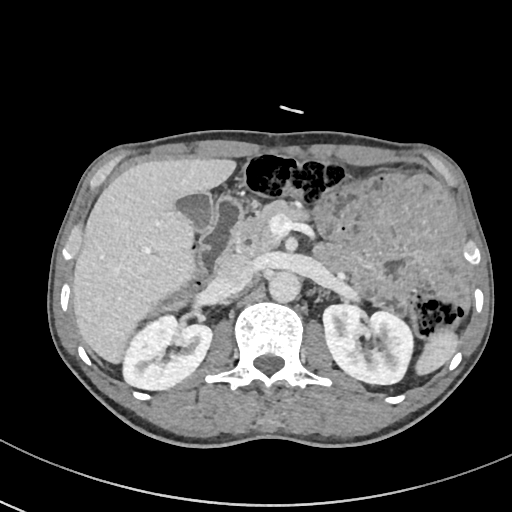
CT, abdomen/pelvis. Axial slice 151/306. abdomen soft-tissue window. SOMATOM Force scanner
<organs><organ name="gall bladder" x1="177" y1="192" x2="214" y2="233"/><organ name="right kidney" x1="124" y1="314" x2="212" y2="391"/><organ name="aorta" x1="268" y1="272" x2="300" y2="303"/><organ name="inferior vena cava" x1="214" y1="254" x2="257" y2="296"/><organ name="duodenum" x1="199" y1="197" x2="244" y2="277"/><organ name="spleen" x1="414" y1="331" x2="459" y2="374"/><organ name="pancreas" x1="234" y1="200" x2="311" y2="253"/><organ name="left kidney" x1="322" y1="302" x2="413" y2="384"/><organ name="liver" x1="71" y1="156" x2="237" y2="364"/></organs>